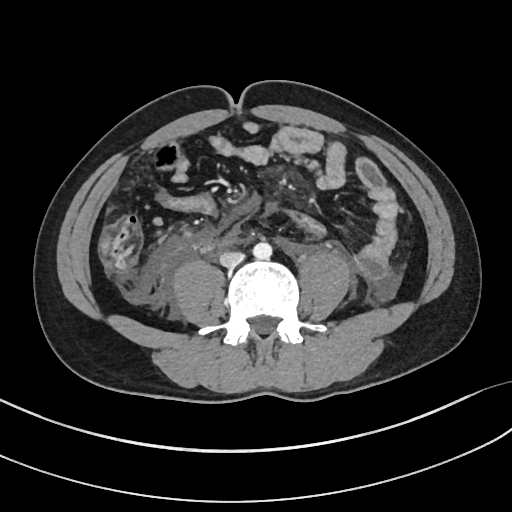

CT, abdomen/pelvis — Axial slice 102/251 — soft-tissue window
Boxes: x1:y1:x2:y2 in pixels.
Organ bounding boxes:
- aorta: 253:242:271:259
- inferior vena cava: 220:251:244:267